Abdominal CT reaching into the chest; this slice is in the chest. axial view. 512x512 px. 54-year-old male patient
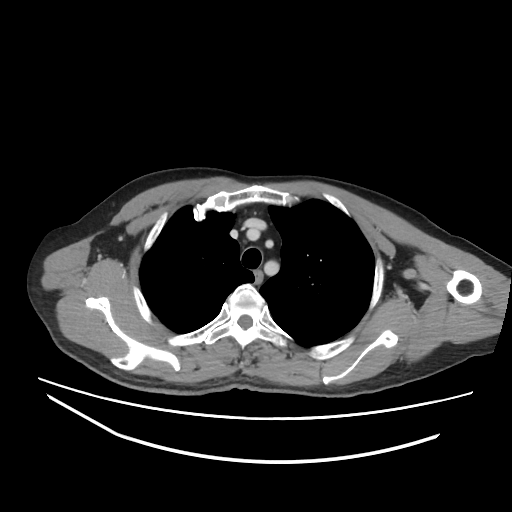 At this level of the chest this dataset labels only the esophagus and the aorta, and each is boxed only where it is labeled; the heart and lungs are never labeled.
<organs><organ name="esophagus" x1="253" y1="269" x2="263" y2="283"/></organs>